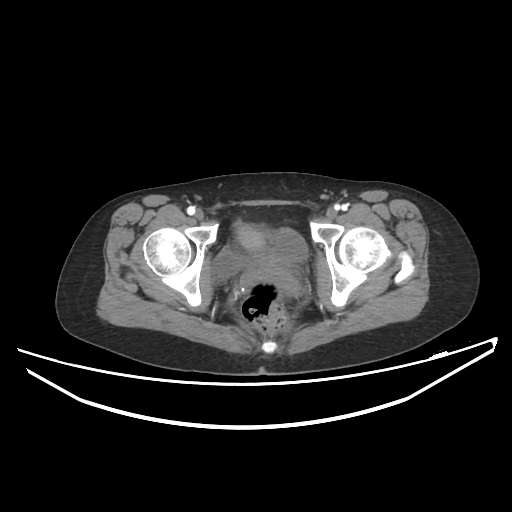 Computed tomography, abdomen. axial plane, index 12. scan has 15 labeled organs (counted over the whole 3D scan, not this slice; an organ is boxed only where this slice passes through it)
<organs><organ name="prostate/uterus" x1="235" y1="223" x2="297" y2="292"/><organ name="bladder" x1="213" y1="228" x2="308" y2="280"/></organs>